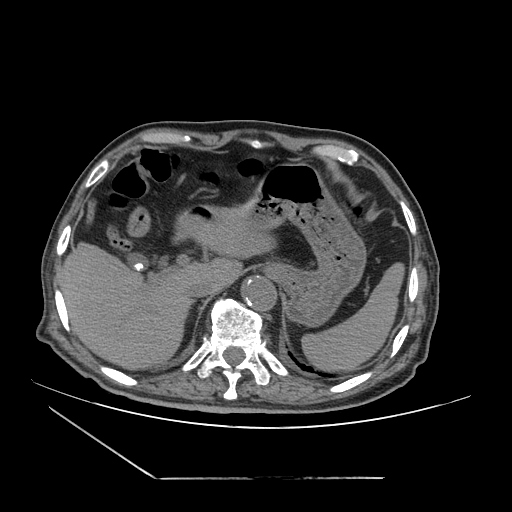 CT abdomen · axial view · 15 organs annotated in this scan (that count is for the whole scan; organs this slice misses have no box)
Bounding boxes in pixels, one row per box: x1, y1 is the top-left corner and x2, y2 the bottom-right.
| organ | x1 | y1 | x2 | y2 |
|---|---|---|---|---|
| liver | 60 | 215 | 275 | 369 |
| duodenum | 182 | 205 | 208 | 221 |
| gall bladder | 127 | 253 | 147 | 272 |
| inferior vena cava | 185 | 279 | 215 | 297 |
| stomach | 201 | 163 | 366 | 326 |
| aorta | 241 | 276 | 276 | 310 |
| spleen | 301 | 262 | 405 | 371 |